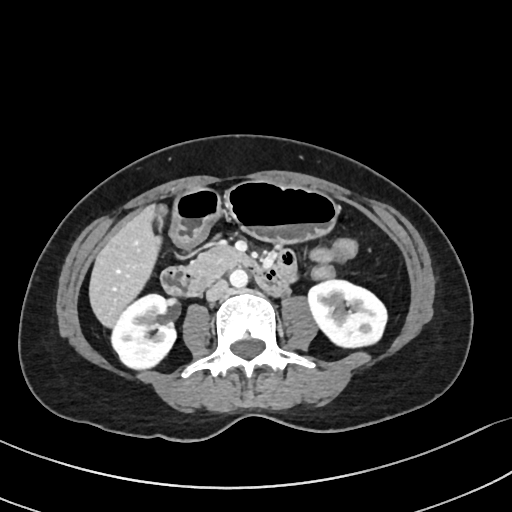
CT abdomen — Axial slice 115/175 — 512x512 px — acquired on SOMATOM Force
<organs><organ name="right kidney" x1="109" y1="293" x2="176" y2="370"/><organ name="left kidney" x1="306" y1="279" x2="386" y2="347"/><organ name="gall bladder" x1="154" y1="205" x2="165" y2="221"/><organ name="liver" x1="90" y1="206" x2="156" y2="324"/><organ name="stomach" x1="169" y1="181" x2="337" y2="246"/><organ name="aorta" x1="229" y1="268" x2="248" y2="287"/><organ name="inferior vena cava" x1="206" y1="279" x2="227" y2="300"/><organ name="pancreas" x1="189" y1="246" x2="241" y2="282"/><organ name="duodenum" x1="161" y1="250" x2="297" y2="295"/></organs>